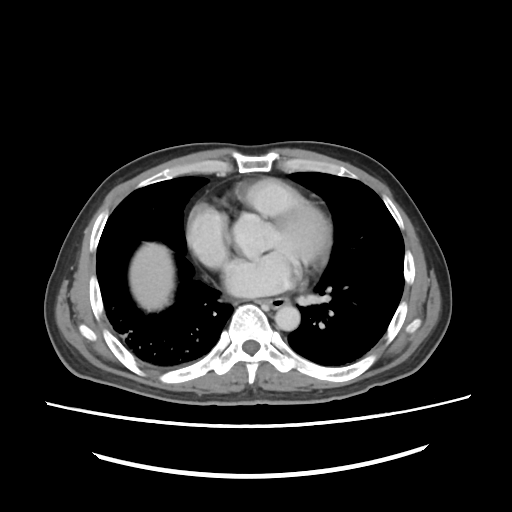 CT abdomen · axial view · 512x512 px · 45-year-old male patient
Boxes: x1 y1 x2 y2 (pixel coords, space-separated). The annotated organs in this slice are: liver at 128 242 175 312, aorta at 274 307 300 331, esophagus at 267 297 288 306.